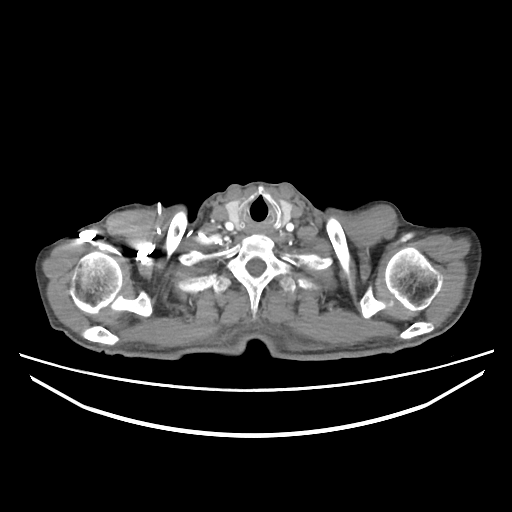

CT of the abdomen extending into the chest, slice through the chest · axial view · 512x512 px · 50-year-old male patient
At this level of the chest this dataset labels only the esophagus and the aorta, and each is boxed only where it is labeled; the heart and lungs are never labeled.
{"organs":{"esophagus":[247,223,269,234]}}